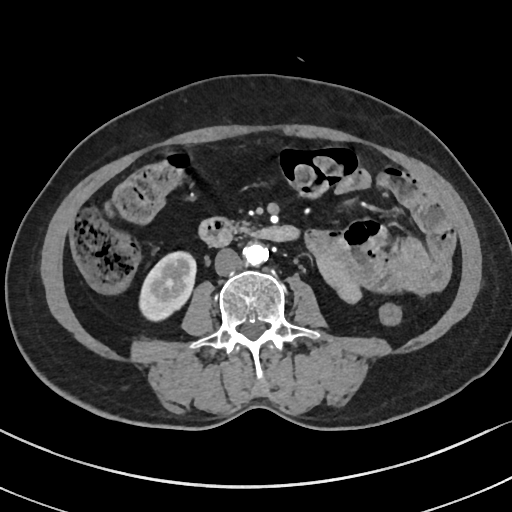

CT, abdomen/pelvis · axial view · soft-tissue window · 512x512 px · scan has 15 labeled organs (that count is for the whole scan; organs this slice misses have no box)
{"organs":{"right kidney":[139,251,196,321],"aorta":[243,243,268,265],"inferior vena cava":[214,248,242,275],"pancreas":[235,222,251,232],"duodenum":[198,217,297,247]}}